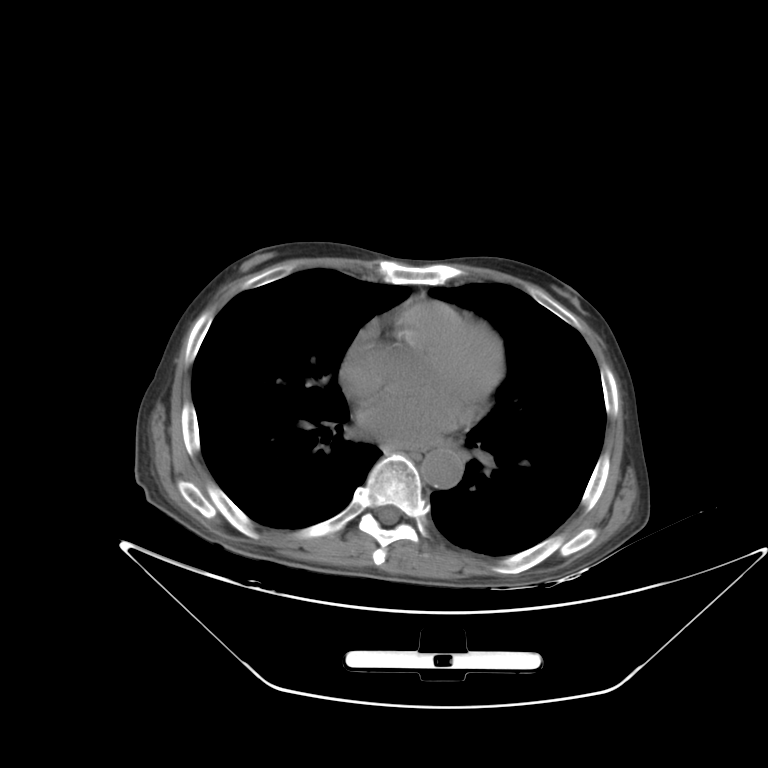 CT of the abdomen reaching into the lower chest, slice just above the liver and spleen · axial plane, index 98 · soft-tissue window
The heart and lungs are never labeled in this dataset, so they have no box on this slice.
Box edges are left/top/right/bottom in pixels.
aorta: left=421, top=450, right=463, bottom=488